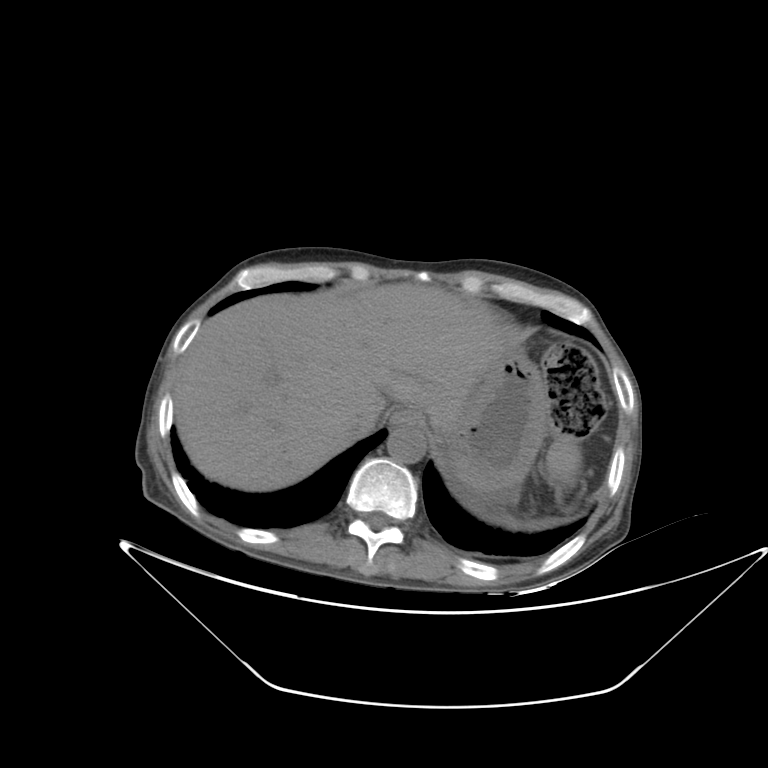

Abdominal CT. Axial slice 83/99. soft-tissue window
Each box given as x1,y1,x2,y2.
spleen: x1=546, y1=437, x2=581, y2=484
esophagus: x1=390, y1=408, x2=425, y2=427
liver: x1=173, y1=283, x2=514, y2=491
stomach: x1=429, y1=349, x2=549, y2=491
aorta: x1=387, y1=425, x2=425, y2=463
inferior vena cava: x1=340, y1=408, x2=380, y2=437